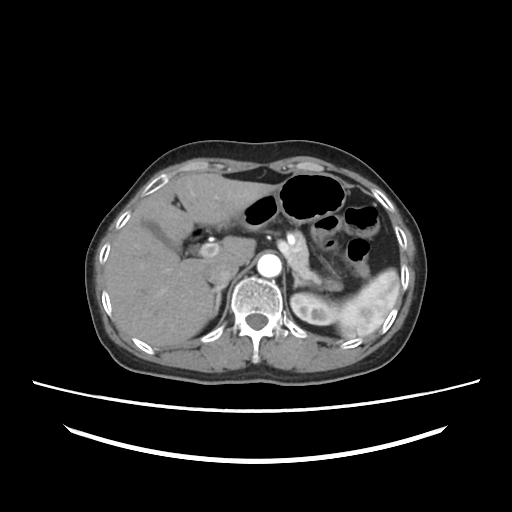

CT, abdomen/pelvis. axial view. 512x512 px. acquired on Aquilion ONE
Bounding boxes as [x1, y1, x2, y2] in pixel coordinates.
spleen: [337, 269, 399, 338]
left kidney: [290, 293, 338, 325]
gall bladder: [144, 221, 181, 252]
liver: [105, 172, 278, 347]
stomach: [237, 172, 346, 229]
aorta: [257, 254, 281, 277]
inferior vena cava: [204, 260, 238, 286]
pancreas: [286, 231, 342, 290]
right adrenal gland: [209, 284, 226, 316]
left adrenal gland: [293, 271, 313, 287]